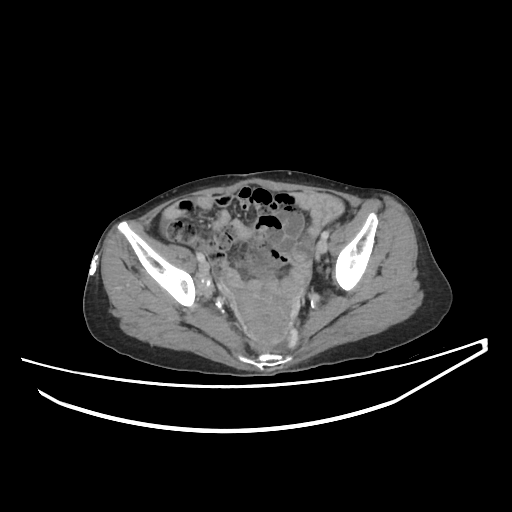

CT, abdomen/pelvis; Axial slice 23/116; 512x512 px; 62-year-old female patient; scan has 15 labeled organs (that count is for the whole scan; organs this slice misses have no box)
Boxes are (x1, y1, x2, y2) in pixels.
prostate/uterus: (233, 288, 293, 344)